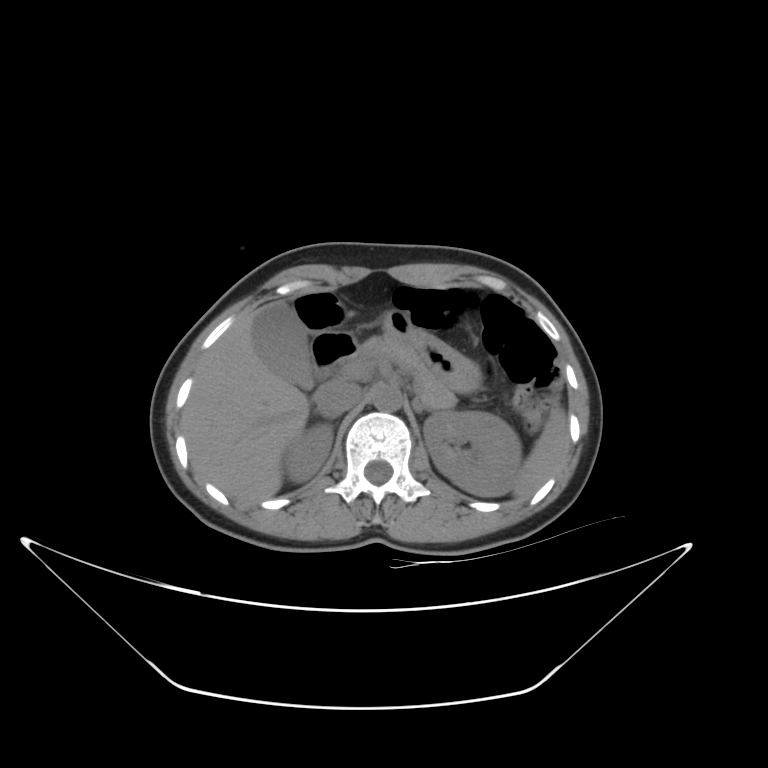 CT, abdomen/pelvis — axial view — 768x768 px
{"organs":{"spleen":[514,407,567,498],"right kidney":[285,423,333,482],"left kidney":[423,412,521,496],"gall bladder":[252,301,314,388],"liver":[181,312,310,504],"stomach":[384,310,481,393],"aorta":[371,383,402,411],"inferior vena cava":[313,380,362,416],"pancreas":[358,334,456,409],"right adrenal gland":[315,413,325,416],"left adrenal gland":[413,399,431,413],"duodenum":[312,331,359,377]}}